CT abdomen — Axial slice 42/222 — abdomen soft-tissue window — 512x512 px — SOMATOM Force scanner
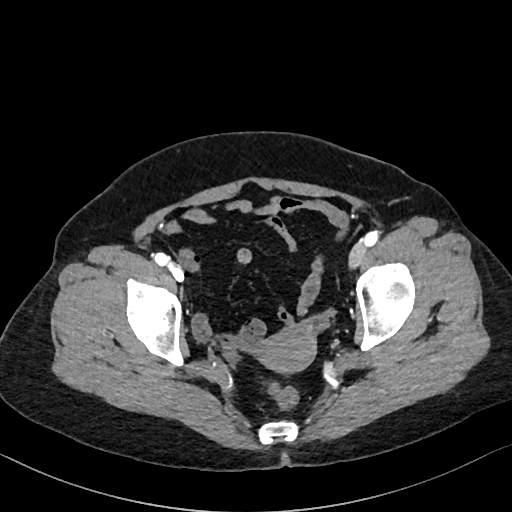 Boxes: x1 y1 x2 y2 (pixel coords, space-separated).
prostate/uterus: 259 327 315 372